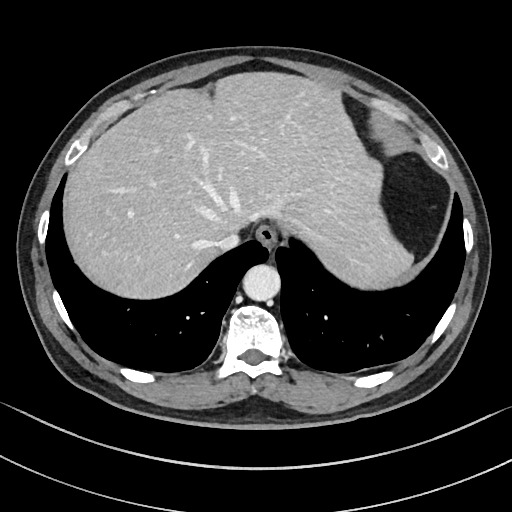 Abdominal CT — Axial slice 197/232
Organ boxes in pixel coordinates; each row gives the top-left (x1, y1) and bottom-right (x2, y2) corners.
| organ | x1 | y1 | x2 | y2 |
|---|---|---|---|---|
| liver | 62 | 70 | 413 | 297 |
| esophagus | 256 | 224 | 279 | 249 |
| aorta | 242 | 265 | 280 | 301 |
| inferior vena cava | 217 | 232 | 237 | 251 |